Abdominal CT — axial view — acquired on SOMATOM Force — 15 organs annotated in this scan (counted over the whole 3D scan, not this slice; an organ is boxed only where this slice passes through it)
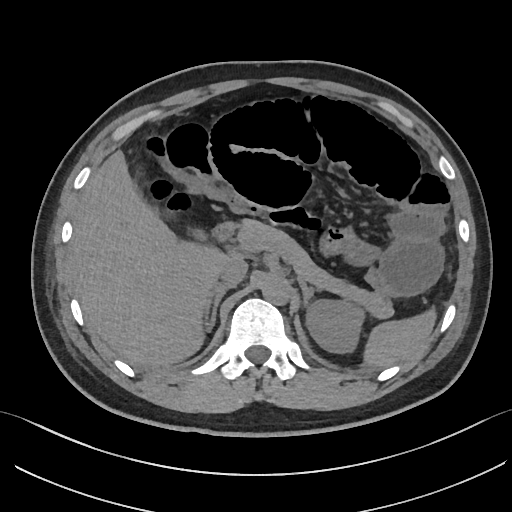 {"organs":{"spleen":[361,310,436,367],"left kidney":[307,301,361,352],"gall bladder":[190,229,208,242],"liver":[68,149,230,365],"aorta":[262,280,289,305],"inferior vena cava":[219,256,247,285],"pancreas":[238,220,392,317],"right adrenal gland":[204,283,236,331],"left adrenal gland":[299,282,320,308],"duodenum":[213,220,236,241]}}